Chest-level slice from an abdominal CT that extends up into the chest. Axial slice 289/333. soft-tissue window (W 400 / L 40)
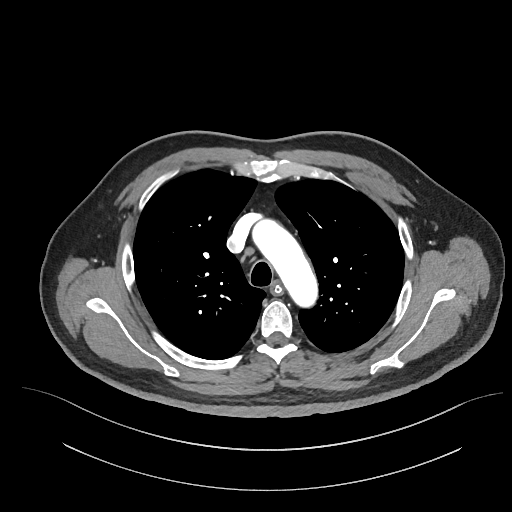 On a slice this high in the chest, this dataset labels only the esophagus and the aorta, and each is boxed only where it is labeled; the heart, lungs and other chest structures are not labeled.
{"organs":{"esophagus":[271,283,281,292],"aorta":[253,221,316,304]}}